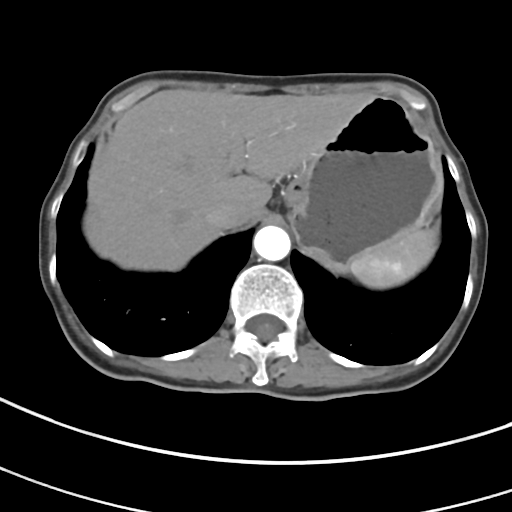
CT, abdomen/pelvis. Axial slice 68/118. abdomen soft-tissue window. scan has 15 labeled organs (that count is for the whole scan; organs this slice misses have no box)
Coordinates as <box>x1,y1,x2,y2</box> in pixels.
Organ bounding boxes:
- stomach: <box>282,96,443,271</box>
- spleen: <box>349,228,438,288</box>
- inferior vena cava: <box>206,199,246,229</box>
- liver: <box>84,89,369,270</box>
- aorta: <box>253,225,290,261</box>